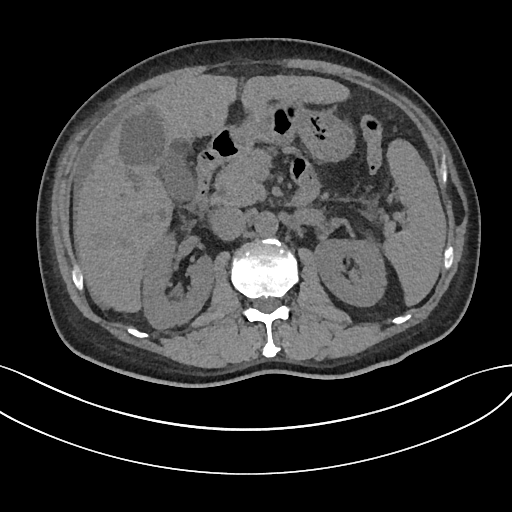 CT, abdomen/pelvis. axial view. SOMATOM Force scanner. 15 organs annotated in this scan (that count is for the whole scan; organs this slice misses have no box)
Box edges are left/top/right/bottom in pixels.
Organ bounding boxes:
- duodenum: left=185, top=126, right=318, bottom=211
- aorta: left=255, top=211, right=278, bottom=235
- liver: left=74, top=75, right=347, bottom=312
- spleen: left=384, top=138, right=446, bottom=304
- left kidney: left=315, top=238, right=387, bottom=305
- gall bladder: left=159, top=145, right=194, bottom=200
- stomach: left=227, top=100, right=353, bottom=159
- inferior vena cava: left=211, top=206, right=248, bottom=240
- right kidney: left=142, top=234, right=213, bottom=328
- pancreas: left=211, top=149, right=395, bottom=233